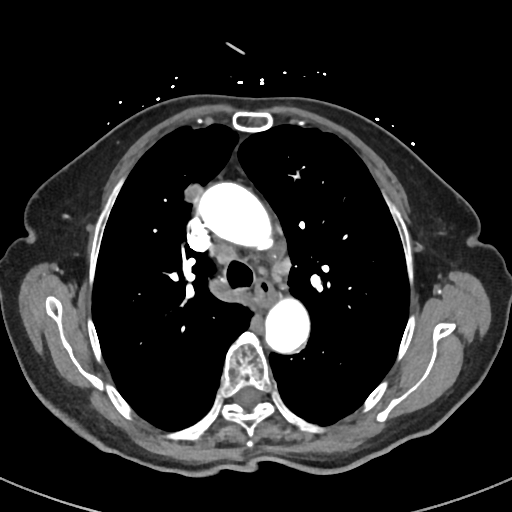
Chest-level CT slice, above the liver and spleen — axial plane, index 232 — W/L 400/40 HU — 512x512 px — 15 organs annotated in this scan (that count is for the whole scan; organs this slice misses have no box)
At this level of the chest no structure but the esophagus and the aorta has a label in this dataset, and those two are boxed only where they are labeled.
Bounding boxes as [x1, y1, x2, y2] in pixel coordinates.
Organ bounding boxes:
- esophagus: [255, 279, 276, 306]
- aorta: [198, 181, 271, 248]
- aorta: [265, 297, 310, 353]